CT abdomen · axial view · Aquilion ONE scanner
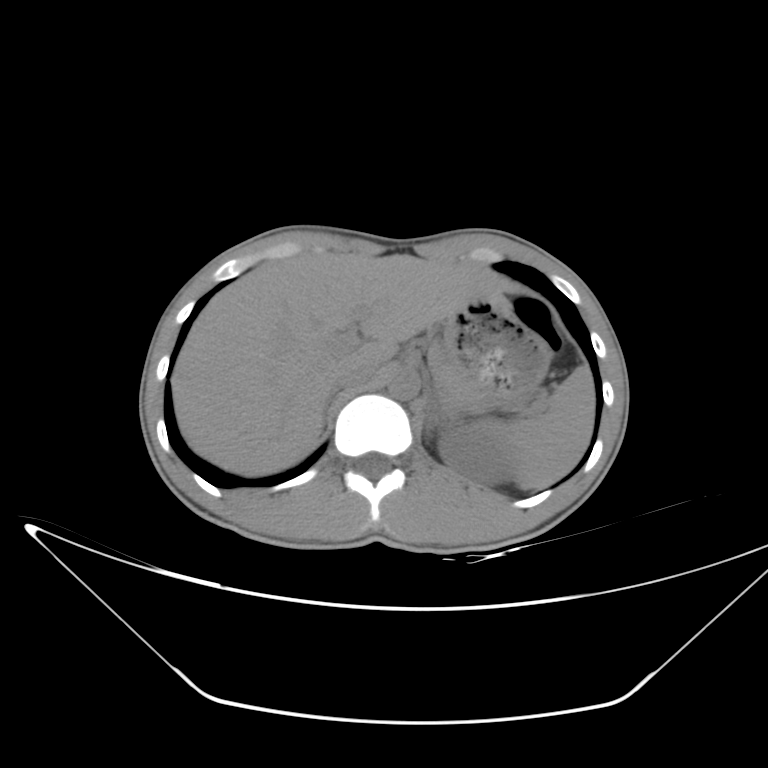

<organs><organ name="spleen" x1="481" y1="365" x2="594" y2="489"/><organ name="left kidney" x1="438" y1="424" x2="516" y2="484"/><organ name="liver" x1="171" y1="252" x2="502" y2="475"/><organ name="stomach" x1="435" y1="296" x2="550" y2="402"/><organ name="aorta" x1="387" y1="372" x2="418" y2="399"/><organ name="inferior vena cava" x1="331" y1="362" x2="377" y2="392"/><organ name="right adrenal gland" x1="324" y1="403" x2="327" y2="415"/><organ name="left adrenal gland" x1="425" y1="392" x2="444" y2="440"/></organs>